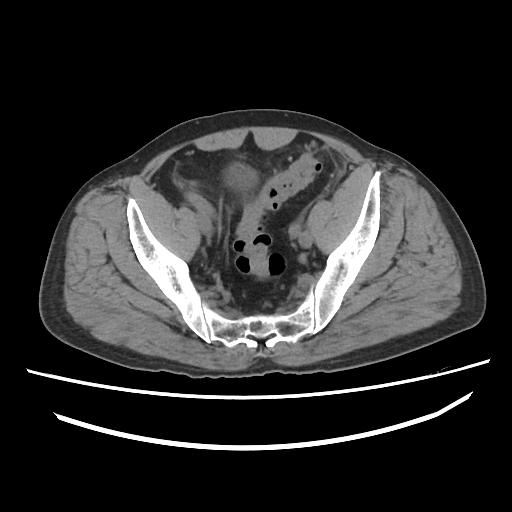
CT, abdomen/pelvis · axial view · soft-tissue window
Boxes are (x1, y1, x2, y2) in pixels.
bladder: (226, 164, 256, 190)